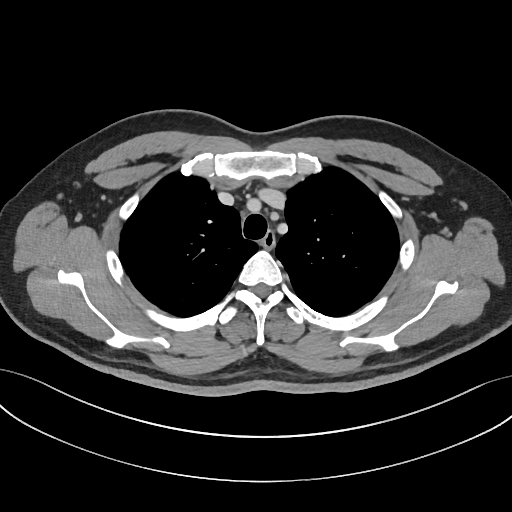

Chest-level CT slice, above the liver and spleen. Axial slice 316/345. soft-tissue window (W 400 / L 40). 512x512 px
On a slice this high in the chest, this dataset labels only the esophagus and the aorta, and each is boxed only where it is labeled; the heart, lungs and other chest structures are not labeled. Each box given as x1,y1,x2,y2. The annotated organs in this slice are: esophagus at x1=261, y1=231, x2=275, y2=248.